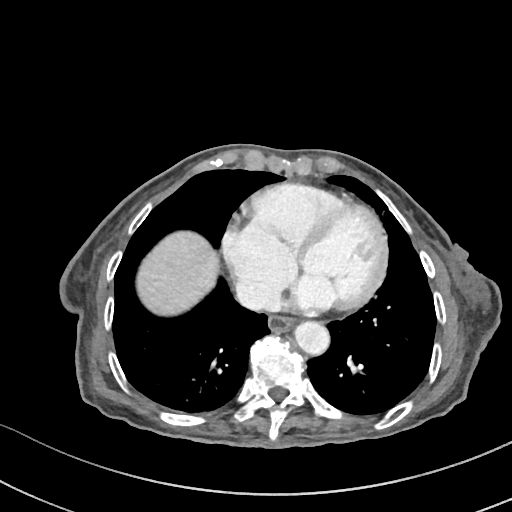

CT abdomen; axial plane, index 222; 15 organs annotated in this scan (counted over the whole 3D scan, not this slice; an organ is boxed only where this slice passes through it)
One row per box, in pixels: columns x1 and y1 give the top-left corner, x2 and y2 the bottom-right.
| organ | x1 | y1 | x2 | y2 |
|---|---|---|---|---|
| esophagus | 268 | 315 | 293 | 332 |
| liver | 137 | 231 | 218 | 315 |
| aorta | 293 | 321 | 329 | 355 |
| inferior vena cava | 235 | 280 | 277 | 310 |